Abdominal CT reaching into the chest; this slice is in the chest; axial view; W/L 400/40 HU; 512x512 px; acquired on Aquilion ONE
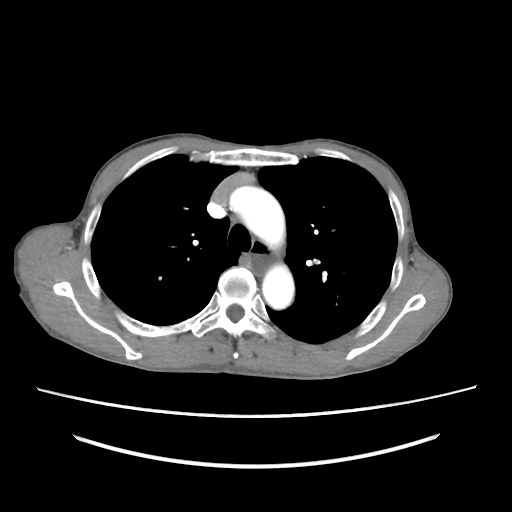

On a slice this high in the chest, this dataset labels only the esophagus and the aorta, and each is boxed only where it is labeled; the heart, lungs and other chest structures are not labeled.
<organs><organ name="esophagus" x1="251" y1="238" x2="275" y2="273"/><organ name="aorta" x1="231" y1="187" x2="285" y2="250"/><organ name="aorta" x1="262" y1="263" x2="294" y2="309"/></organs>